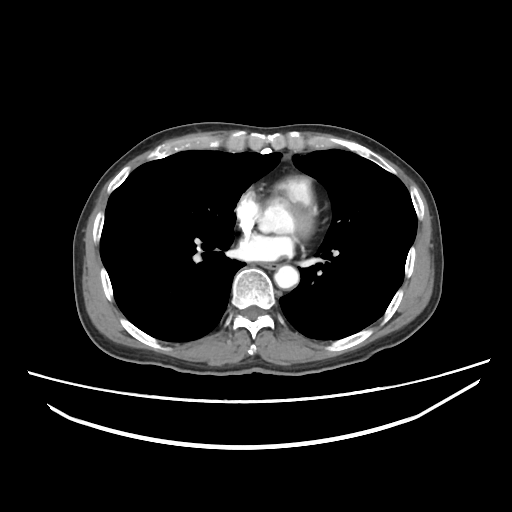

Chest-level slice from an abdominal CT that extends up into the chest; axial plane, index 64; 63-year-old male patient
On a slice this high in the chest, this dataset labels only the esophagus and the aorta, and each is boxed only where it is labeled; the heart, lungs and other chest structures are not labeled.
<organs><organ name="esophagus" x1="261" y1="261" x2="279" y2="268"/><organ name="aorta" x1="274" y1="263" x2="298" y2="289"/></organs>